CT, abdomen/pelvis. axial view. soft-tissue window (W 400 / L 40). 512x512 px
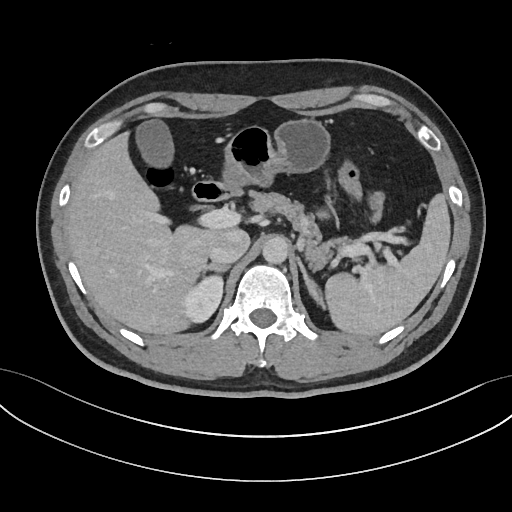

Boxes are (x1, y1, x2, y2) in pixels.
Organ bounding boxes:
- spleen: (325, 194, 450, 335)
- right kidney: (181, 276, 224, 324)
- gall bladder: (136, 120, 171, 163)
- liver: (66, 133, 230, 334)
- stomach: (225, 120, 328, 186)
- aorta: (262, 236, 288, 263)
- inferior vena cava: (209, 228, 249, 264)
- pancreas: (247, 189, 353, 268)
- right adrenal gland: (202, 262, 228, 275)
- left adrenal gland: (297, 256, 326, 307)
- duodenum: (191, 181, 240, 202)